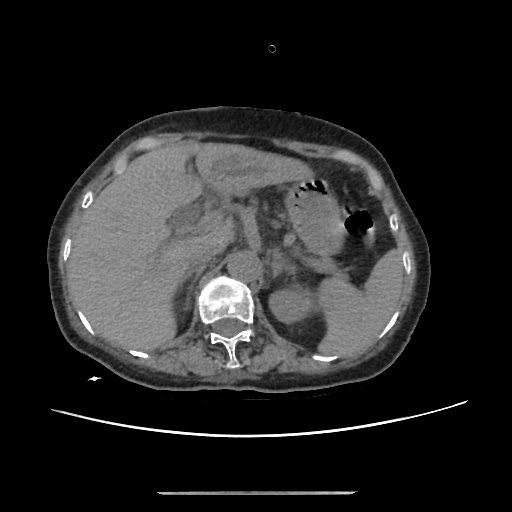
Computed tomography, abdomen — axial view
Organ boxes in pixel coordinates; each row gives the top-left (x1, y1) and bottom-right (x2, y2) corners.
| organ | x1 | y1 | x2 | y2 |
|---|---|---|---|---|
| spleen | 317 | 249 | 403 | 356 |
| left kidney | 269 | 288 | 311 | 323 |
| liver | 68 | 141 | 313 | 350 |
| stomach | 285 | 177 | 344 | 254 |
| aorta | 227 | 250 | 261 | 281 |
| inferior vena cava | 188 | 245 | 222 | 271 |
| pancreas | 311 | 256 | 344 | 279 |
| right adrenal gland | 179 | 270 | 202 | 310 |
| left adrenal gland | 270 | 250 | 284 | 276 |